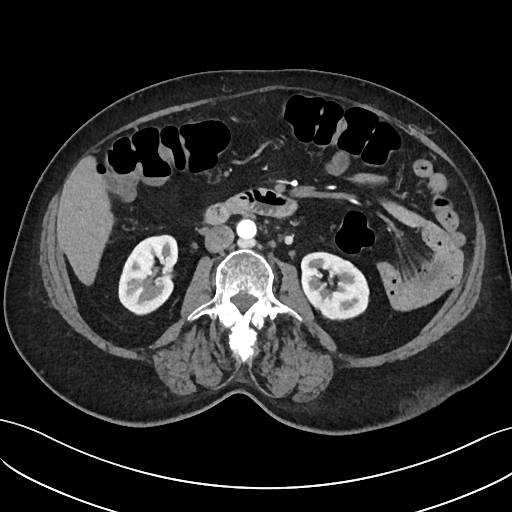
Abdominal CT. Axial slice 111/276. soft-tissue window (W 400 / L 40). 512x512 px
Bounding boxes in pixels, one row per box: x1, y1 is the top-left corner and x2, y2 the bottom-right.
| organ | x1 | y1 | x2 | y2 |
|---|---|---|---|---|
| right kidney | 119 | 236 | 177 | 313 |
| left kidney | 301 | 253 | 369 | 320 |
| liver | 57 | 155 | 112 | 286 |
| aorta | 236 | 219 | 256 | 240 |
| inferior vena cava | 203 | 225 | 233 | 252 |
| duodenum | 206 | 190 | 297 | 225 |